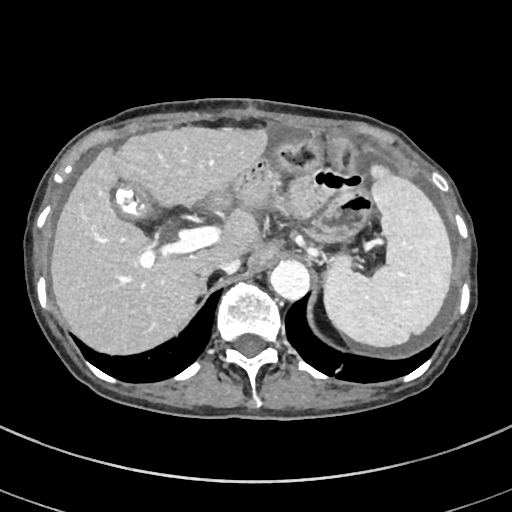 CT, abdomen/pelvis. Axial slice 149/198. acquired on SOMATOM Force
{"organs":{"gall bladder":[113,183,152,217],"inferior vena cava":[199,259,240,275],"aorta":[270,261,310,301],"spleen":[324,164,451,346],"right adrenal gland":[197,274,206,293],"liver":[50,126,268,353]}}